CT abdomen — axial plane, index 163 — soft-tissue window (W 400 / L 40) — 512x512 px
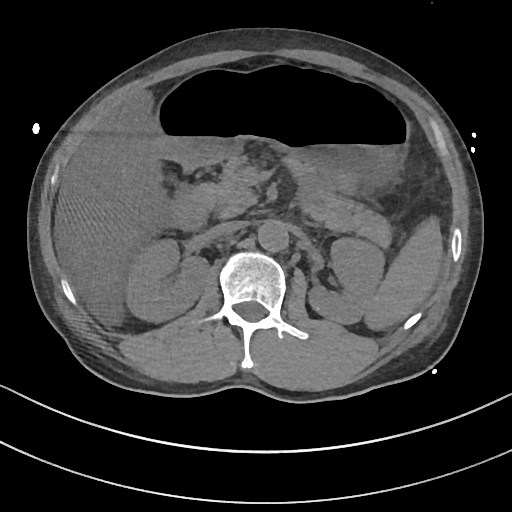
Coordinates as <box>x1,y1,x2,y2</box> in pixels.
pancreas: <box>193,156,391,247</box>
spleen: <box>364,216,442,330</box>
aorta: <box>258,219,288,251</box>
right kidney: <box>125,238,207,322</box>
duodenum: <box>170,189,209,230</box>
left kidney: <box>308,238,384,324</box>
stomach: <box>154,72,409,185</box>
inferior vena cava: <box>208,221,245,237</box>
liver: <box>57,90,166,288</box>